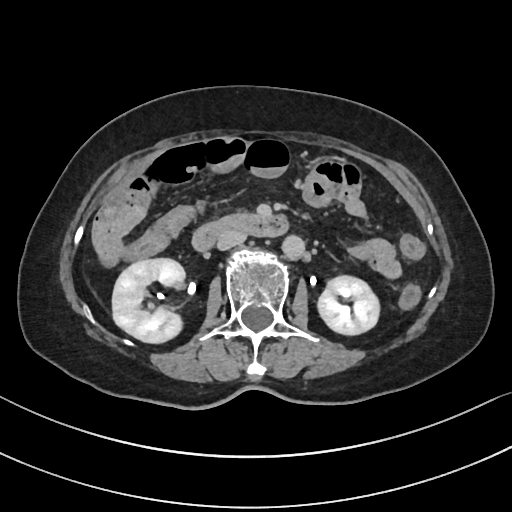 CT, abdomen/pelvis · axial plane, index 131 · 512x512 px · acquired on SOMATOM Force
One row per box, in pixels: columns x1 and y1 give the top-left corner, x2 and y2 the bottom-right.
| organ | x1 | y1 | x2 | y2 |
|---|---|---|---|---|
| right kidney | 112 | 258 | 186 | 343 |
| duodenum | 193 | 212 | 286 | 250 |
| left kidney | 318 | 276 | 379 | 334 |
| inferior vena cava | 217 | 229 | 246 | 249 |
| aorta | 280 | 234 | 304 | 258 |